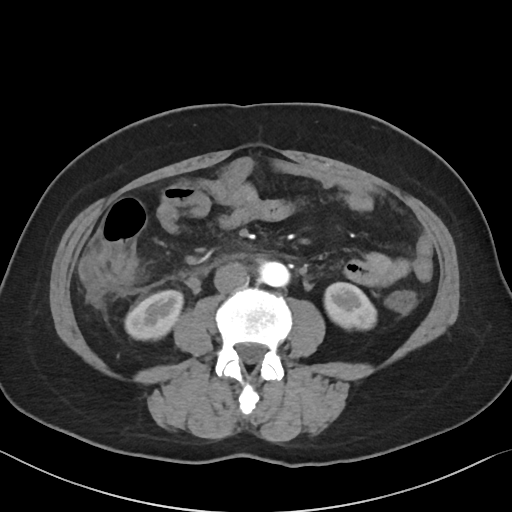
CT, abdomen/pelvis. axial view. W/L 400/40 HU
Organ boxes in pixel coordinates; each row gives the top-left (x1, y1) and bottom-right (x2, y2) corners.
| organ | x1 | y1 | x2 | y2 |
|---|---|---|---|---|
| left kidney | 324 | 282 | 376 | 329 |
| aorta | 260 | 262 | 289 | 286 |
| right kidney | 125 | 290 | 182 | 339 |
| inferior vena cava | 214 | 262 | 248 | 293 |